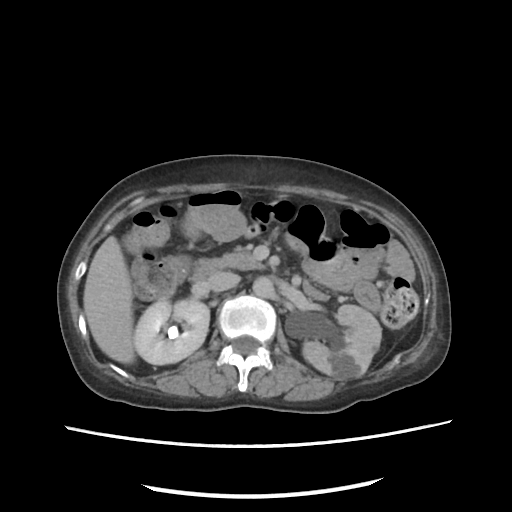

CT abdomen — axial plane, index 57 — 14 organs annotated in this scan (a whole-scan count: organs this slice does not pass through have no box)
Organ boxes in pixel coordinates; each row gives the top-left (x1, y1) and bottom-right (x2, y2) corners.
| organ | x1 | y1 | x2 | y2 |
|---|---|---|---|---|
| aorta | 252 | 277 | 274 | 297 |
| pancreas | 218 | 251 | 262 | 269 |
| liver | 83 | 236 | 134 | 363 |
| left kidney | 302 | 305 | 381 | 379 |
| duodenum | 192 | 259 | 222 | 281 |
| inferior vena cava | 208 | 271 | 239 | 291 |
| right kidney | 134 | 299 | 209 | 364 |